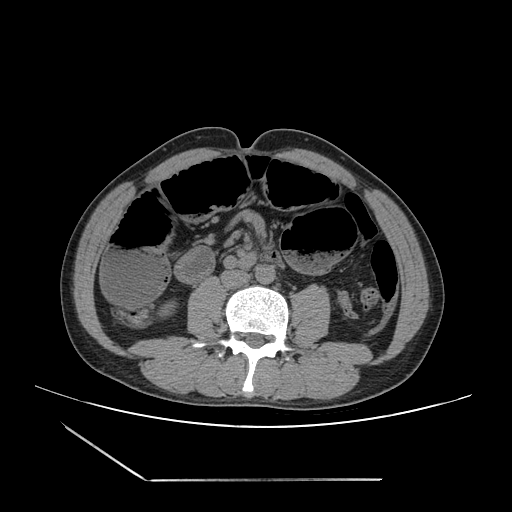
CT, abdomen/pelvis; axial view; SOMATOM Force scanner
<organs><organ name="inferior vena cava" x1="220" y1="270" x2="250" y2="288"/><organ name="right kidney" x1="158" y1="300" x2="176" y2="318"/><organ name="aorta" x1="255" y1="264" x2="275" y2="284"/></organs>